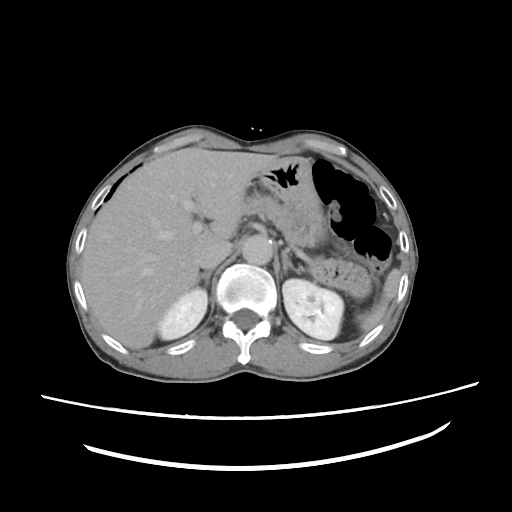 CT, abdomen/pelvis — axial plane, index 68 — soft-tissue window (W 400 / L 40)
Organ boxes in pixel coordinates; each row gives the top-left (x1, y1) and bottom-right (x2, y2) corners.
| organ | x1 | y1 | x2 | y2 |
|---|---|---|---|---|
| spleen | 358 | 269 | 398 | 331 |
| right kidney | 157 | 288 | 208 | 341 |
| left kidney | 283 | 278 | 344 | 339 |
| liver | 83 | 146 | 277 | 350 |
| stomach | 257 | 158 | 327 | 246 |
| aorta | 241 | 234 | 274 | 264 |
| inferior vena cava | 199 | 242 | 231 | 268 |
| pancreas | 247 | 190 | 307 | 246 |
| right adrenal gland | 199 | 271 | 211 | 290 |
| left adrenal gland | 282 | 246 | 302 | 274 |